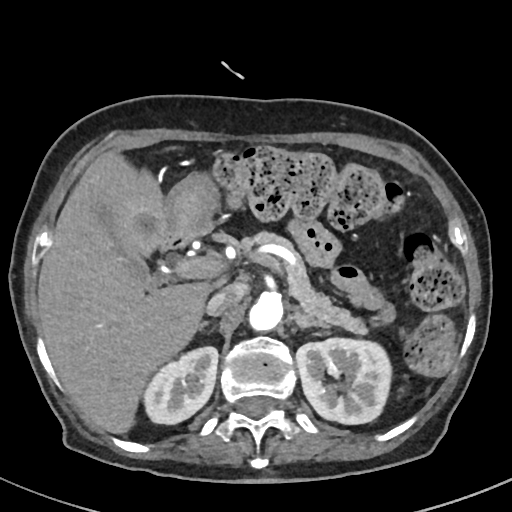 CT, abdomen/pelvis. axial view. soft-tissue window
Bounding boxes as [x1, y1, x2, y2] in pixel coordinates.
Organ bounding boxes:
- right kidney: [144, 347, 218, 424]
- left kidney: [296, 337, 391, 424]
- gall bladder: [96, 203, 148, 272]
- liver: [37, 151, 209, 434]
- stomach: [165, 175, 217, 240]
- aorta: [248, 292, 283, 331]
- inferior vena cava: [205, 283, 244, 315]
- pancreas: [240, 231, 368, 334]
- right adrenal gland: [199, 320, 208, 330]
- left adrenal gland: [292, 308, 330, 328]
- duodenum: [160, 237, 187, 249]